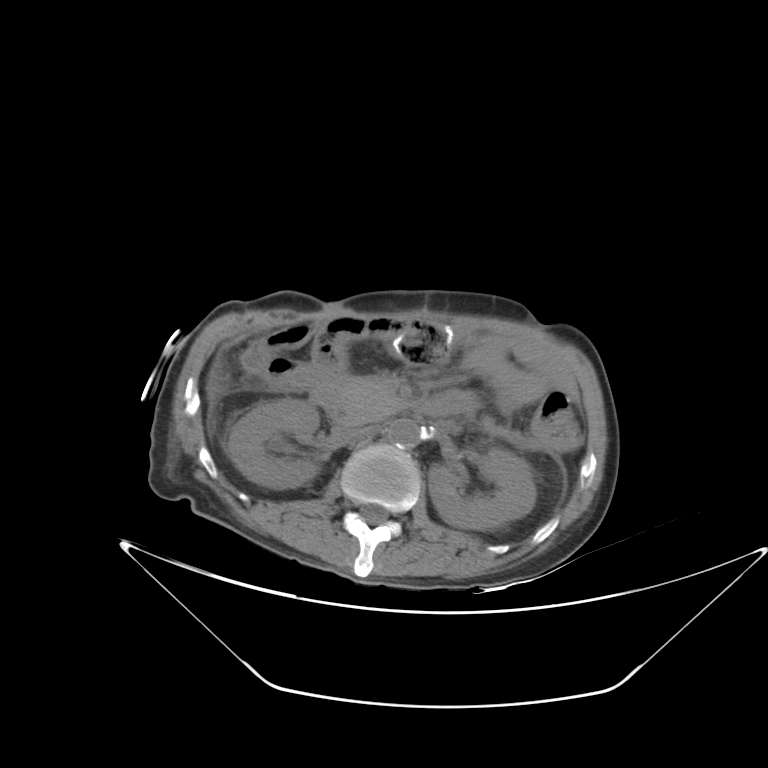 Computed tomography, abdomen — axial plane, index 62 — W/L 400/40 HU — acquired on Brilliance16
<organs><organ name="right kidney" x1="227" y1="398" x2="319" y2="489"/><organ name="left kidney" x1="428" y1="448" x2="535" y2="530"/><organ name="liver" x1="207" y1="374" x2="212" y2="393"/><organ name="aorta" x1="386" y1="419" x2="419" y2="448"/><organ name="inferior vena cava" x1="336" y1="426" x2="365" y2="437"/><organ name="pancreas" x1="338" y1="377" x2="399" y2="423"/><organ name="duodenum" x1="311" y1="386" x2="468" y2="421"/></organs>